CT, abdomen/pelvis · Axial slice 154/303
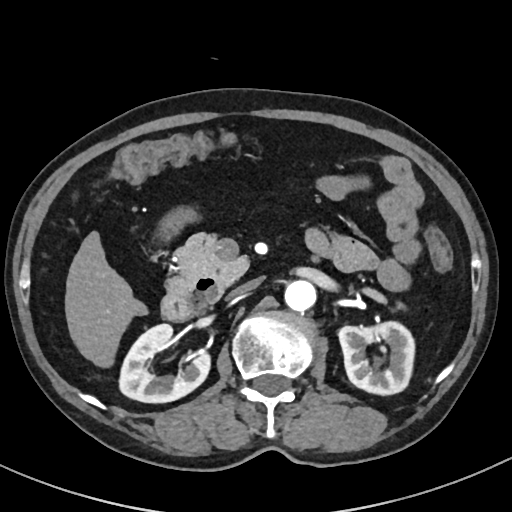 Bounding boxes as [x1, y1, x2, y2] in pixel coordinates.
right kidney: [120, 323, 211, 403]
left kidney: [338, 320, 414, 395]
liver: [65, 231, 148, 369]
stomach: [160, 206, 197, 234]
aorta: [284, 280, 315, 312]
inferior vena cava: [226, 280, 257, 299]
pancreas: [166, 233, 387, 303]
duodenum: [161, 278, 222, 320]